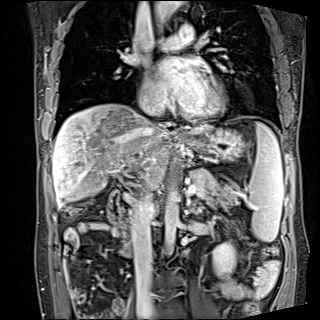

Abdominal MR. coronal plane, index 30. 320x320 px. acquired on Prisma
Boxes: x1 y1 x2 y2 (pixel coords, space-separated).
Organ bounding boxes:
- spleen: 248 122 283 241
- left kidney: 213 242 235 275
- esophagus: 178 131 188 139
- liver: 52 103 209 207
- stomach: 184 128 245 160
- aorta: 164 184 179 253
- aorta: 155 1 184 24
- inferior vena cava: 131 192 155 311
- pancreas: 190 168 238 208
- duodenum: 107 188 134 258